CT, abdomen/pelvis — axial view — abdomen soft-tissue window — SOMATOM Force scanner — 15 organs annotated in this scan (a whole-scan count: organs this slice does not pass through have no box)
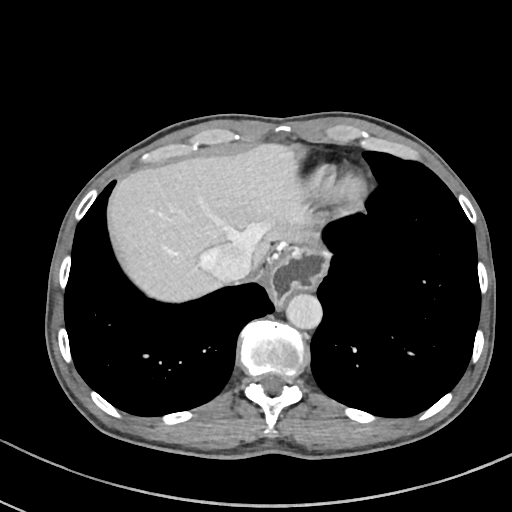

Bounding boxes as [x1, y1, x2, y2] in pixel coordinates. Labeled organs on this slice: liver at [109, 142, 312, 302], stomach at [269, 248, 328, 308], aorta at [286, 294, 322, 329], inferior vena cava at [204, 241, 254, 281].